CT of the abdomen reaching into the lower chest, slice just above the liver and spleen — axial plane, index 231 — soft-tissue window — 512x512 px — SOMATOM Force scanner
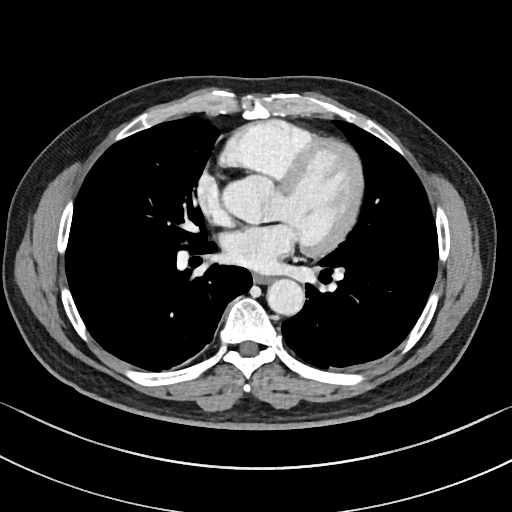 No part of the heart or lungs is labeled in this dataset, so neither has a box here.
Boxes are (x1, y1, x2, y2) in pixels.
esophagus: (253, 274, 270, 283)
aorta: (266, 278, 304, 314)